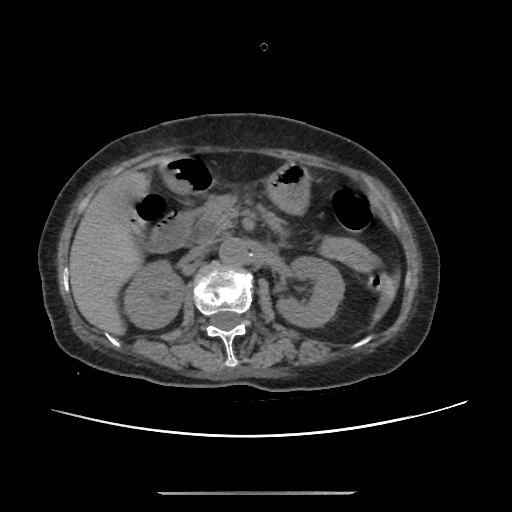 Computed tomography, abdomen. axial view
Organ boxes in pixel coordinates; each row gives the top-left (x1, y1) and bottom-right (x2, y2) corners.
| organ | x1 | y1 | x2 | y2 |
|---|---|---|---|---|
| spleen | 373 | 276 | 397 | 322 |
| right kidney | 124 | 260 | 184 | 328 |
| left kidney | 276 | 256 | 344 | 327 |
| liver | 69 | 170 | 149 | 335 |
| stomach | 165 | 163 | 309 | 214 |
| aorta | 219 | 238 | 248 | 266 |
| inferior vena cava | 187 | 243 | 209 | 260 |
| pancreas | 197 | 194 | 288 | 236 |
| duodenum | 146 | 155 | 211 | 252 |